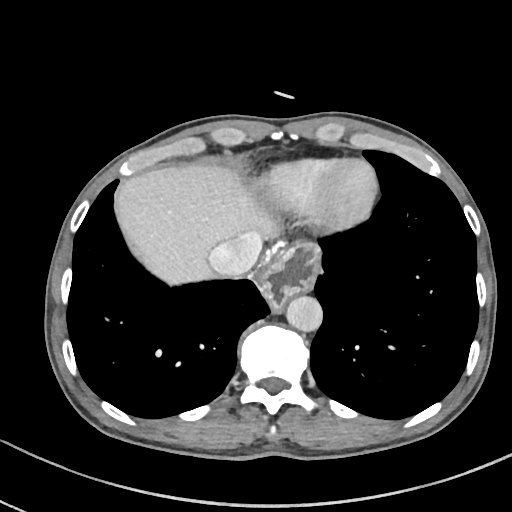 CT abdomen. axial view. soft-tissue window (W 400 / L 40). acquired on SOMATOM Force
Coordinates as <box>x1,y1,x2,y2</box> in pixels.
esophagus: <box>264,241,319,311</box>
liver: <box>118,163,285,282</box>
stomach: <box>265,272,295,280</box>
aorta: <box>286,295,322,330</box>
inferior vena cava: <box>207,236,261,277</box>